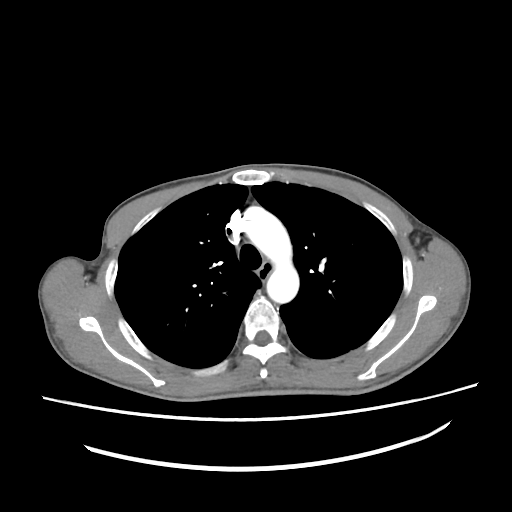
Chest-level slice from an abdominal CT that extends up into the chest. axial plane, index 115. 50-year-old male patient
At this level of the chest no structure but the esophagus and the aorta has a label in this dataset, and those two are boxed only where they are labeled.
One row per box, in pixels: columns x1 and y1 give the top-left corner, x2 and y2 the bottom-right.
| organ | x1 | y1 | x2 | y2 |
|---|---|---|---|---|
| esophagus | 257 | 260 | 273 | 280 |
| aorta | 244 | 207 | 299 | 303 |